CT, abdomen/pelvis — axial view — soft-tissue window (W 400 / L 40) — scan has 15 labeled organs (counted over the whole 3D scan, not this slice; an organ is boxed only where this slice passes through it)
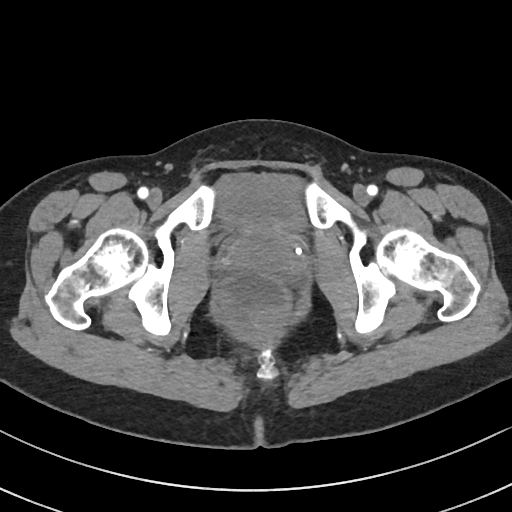

{"organs":{"bladder":[215,173,306,233]}}